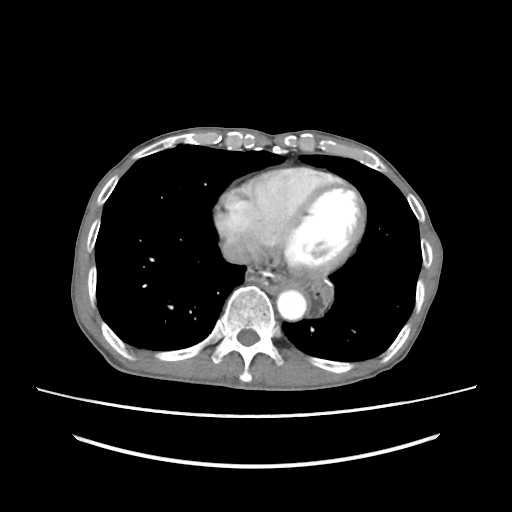 Abdominal CT; this slice is in the lower chest, just above the liver · Axial slice 83/126 · 512x512 px
The heart and lungs are never labeled in this dataset, so they have no box on this slice.
<organs><organ name="inferior vena cava" x1="221" y1="239" x2="253" y2="264"/><organ name="aorta" x1="277" y1="290" x2="306" y2="320"/></organs>